Computed tomography, abdomen. axial view. W/L 400/40 HU. scan has 15 labeled organs (a whole-scan count: organs this slice does not pass through have no box)
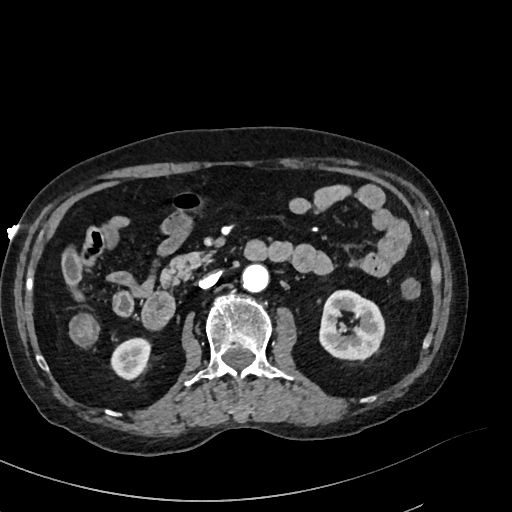

Boxes: x1 y1 x2 y2 (pixel coords, space-separated).
right kidney: 112 339 151 378
aorta: 241 264 268 292
left kidney: 318 290 386 362
pancreas: 161 252 212 286
duodenum: 141 241 267 329
inferior vena cava: 199 272 219 289